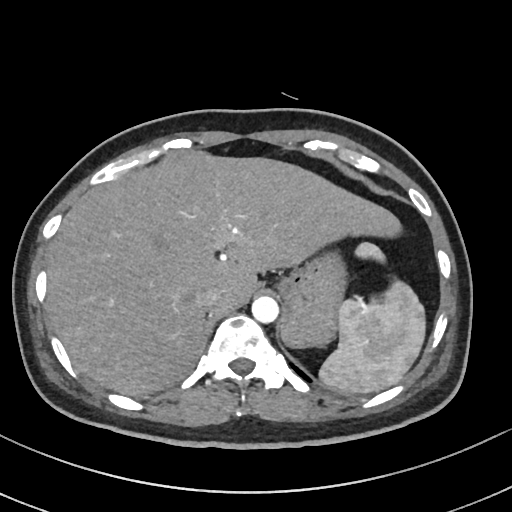

CT, abdomen/pelvis; Axial slice 168/191; 512x512 px
Box edges are left/top/right/bottom in pixels. The annotated organs in this slice are: spleen at left=319, top=244, right=425, bottom=393, liver at left=46, top=150, right=401, bottom=396, stomach at left=277, top=251, right=347, bottom=347, aorta at left=251, top=296, right=279, bottom=323, inferior vena cava at left=194, top=287, right=220, bottom=310.